CT abdomen · axial view · soft-tissue window (W 400 / L 40) · SOMATOM Force scanner
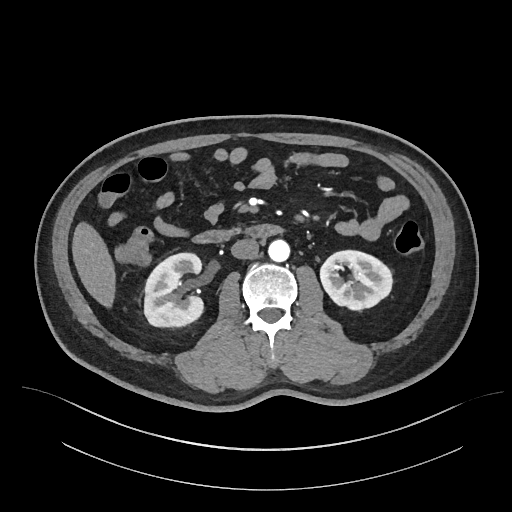

Organ boxes in pixel coordinates; each row gives the top-left (x1, y1) and bottom-right (x2, y2) corners.
| organ | x1 | y1 | x2 | y2 |
|---|---|---|---|---|
| right kidney | 144 | 253 | 202 | 325 |
| left kidney | 320 | 250 | 392 | 309 |
| liver | 72 | 224 | 114 | 305 |
| aorta | 268 | 239 | 289 | 261 |
| inferior vena cava | 231 | 238 | 259 | 259 |
| duodenum | 194 | 224 | 282 | 243 |